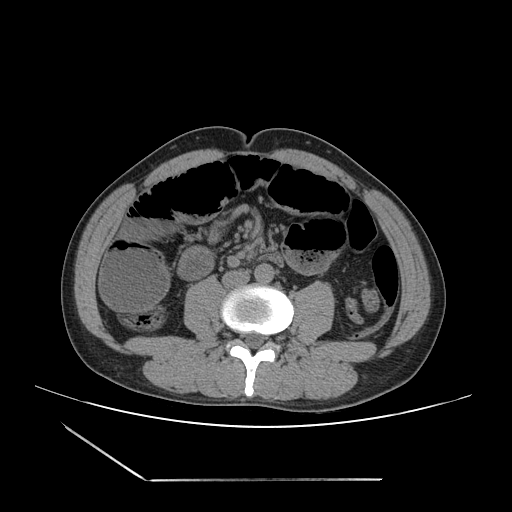

CT abdomen · axial view · soft-tissue window · 15 organs annotated in this scan (that count is for the whole scan; organs this slice misses have no box)
Box edges are left/top/right/bottom in pixels.
inferior vena cava: left=221, top=270, right=249, bottom=288
aorta: left=254, top=263, right=274, bottom=283